CT abdomen. Axial slice 50/85. 512x512 px
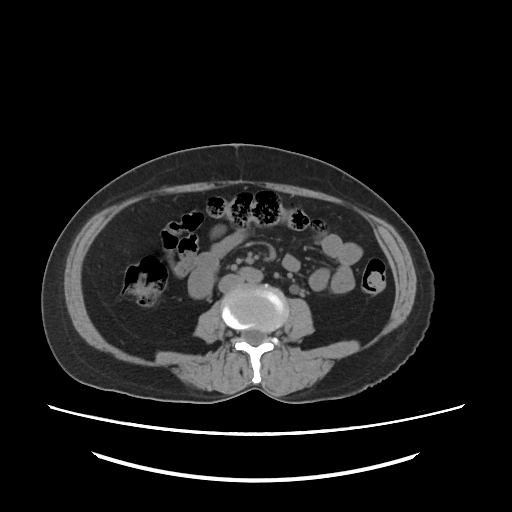
Coordinates as <box>x1,y1,x2,y2</box> in pixels.
inferior vena cava: <box>219,274,241,291</box>